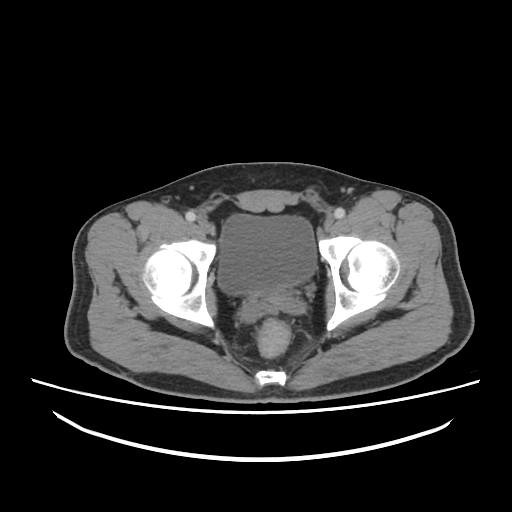

Computed tomography, abdomen — axial plane, index 19
Boxes: x1:y1:x2:y2 in pixels.
Organ bounding boxes:
- bladder: 218:214:316:293